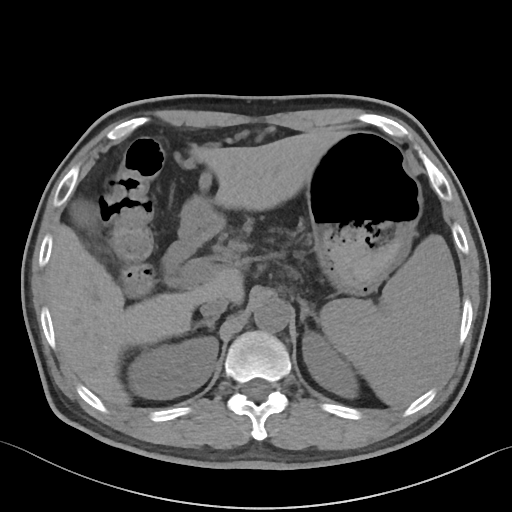
Computed tomography, abdomen; Axial slice 77/101; abdomen soft-tissue window; 512x512 px
Coordinates as <box>x1,y1,x2,y2</box> in pixels. 11 labeled organs on this slice — spleen at <box>320,234,459,406</box>; right kidney at <box>128,337,218,398</box>; left kidney at <box>302,331,358,397</box>; gall bladder at <box>74,205,94,226</box>; liver at <box>46,130,445,406</box>; stomach at <box>180,131,422,295</box>; aorta at <box>254,298,289,332</box>; inferior vena cava at <box>200,297,228,316</box>; right adrenal gland at <box>193,315,219,331</box>; left adrenal gland at <box>299,299,318,323</box>; duodenum at <box>162,230,201,275</box>.